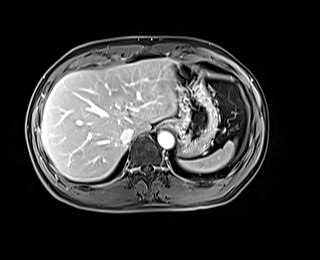
Abdominal MRI — Axial slice 38/72 — 1st–99th percentile window — 320x260 px
Box edges are left/top/right/bottom in pixels.
Organ bounding boxes:
- liver: left=41, top=58, right=177, bottom=181
- aorta: left=157, top=131, right=174, bottom=148
- stomach: left=165, top=62, right=217, bottom=156
- inferior vena cava: left=120, top=127, right=134, bottom=144
- spleen: left=179, top=141, right=235, bottom=172